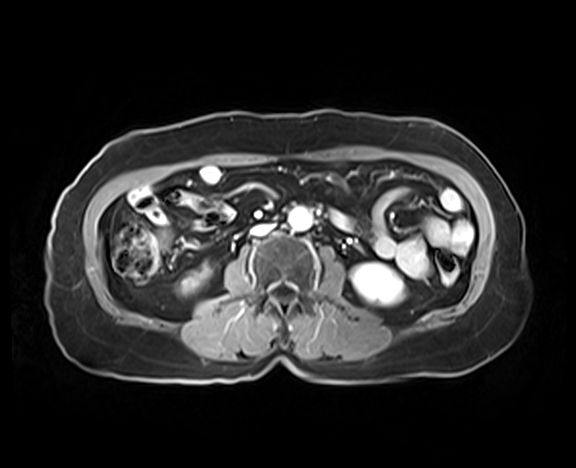

MRI, abdomen — axial view — 1st–99th percentile window
Bounding boxes in pixels, one row per box: x1, y1 is the top-left corner and x2, y2 the bottom-right.
| organ | x1 | y1 | x2 | y2 |
|---|---|---|---|---|
| inferior vena cava | 251 | 224 | 272 | 235 |
| left kidney | 351 | 263 | 404 | 305 |
| aorta | 288 | 207 | 311 | 230 |
| right kidney | 180 | 264 | 210 | 294 |